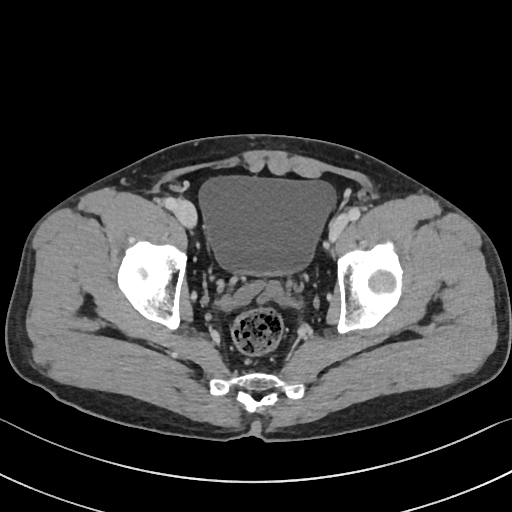
Computed tomography, abdomen. axial plane, index 32. W/L 400/40 HU. SOMATOM Force scanner. 15 organs annotated in this scan (that count is for the whole scan; organs this slice misses have no box)
Box edges are left/top/right/bottom in pixels. The annotated organs in this slice are: bladder at left=200, top=176, right=334, bottom=274.